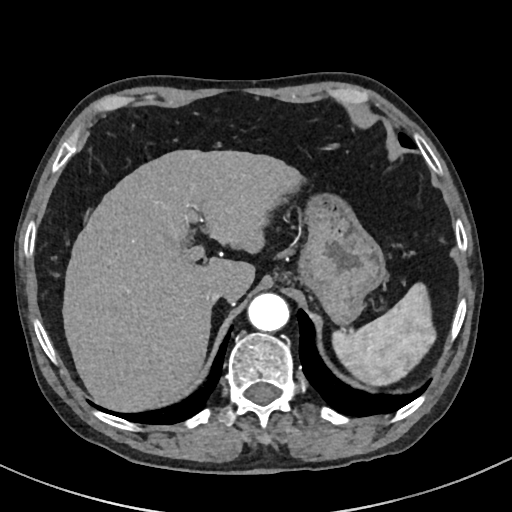

Computed tomography, abdomen; axial view
Boxes are (x1, y1, x2, y2) in pixels.
Organ bounding boxes:
- aorta: (247, 293, 289, 331)
- inferior vena cava: (203, 285, 228, 305)
- spleen: (332, 283, 436, 386)
- stomach: (298, 193, 385, 324)
- liver: (62, 149, 303, 411)